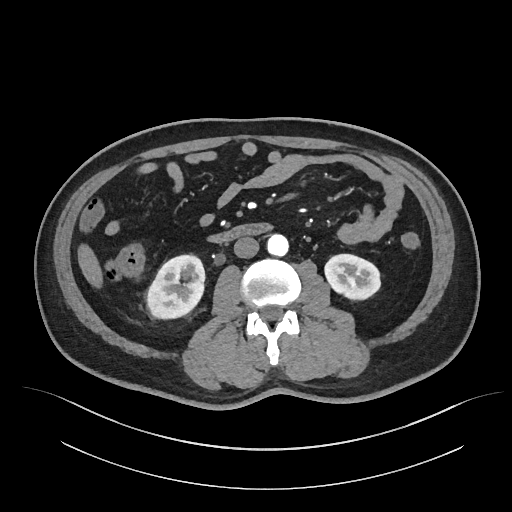 Abdominal CT; axial plane, index 140; abdomen soft-tissue window; scan has 15 labeled organs (a whole-scan count: organs this slice does not pass through have no box)
{"organs":{"left kidney":[324,253,380,301],"right kidney":[146,254,205,320],"aorta":[267,235,288,256],"inferior vena cava":[233,237,259,258],"liver":[77,240,104,291],"duodenum":[206,223,273,243]}}